Lower-chest slice from an abdominal CT, just above the liver and spleen; axial view; acquired on Brilliance16
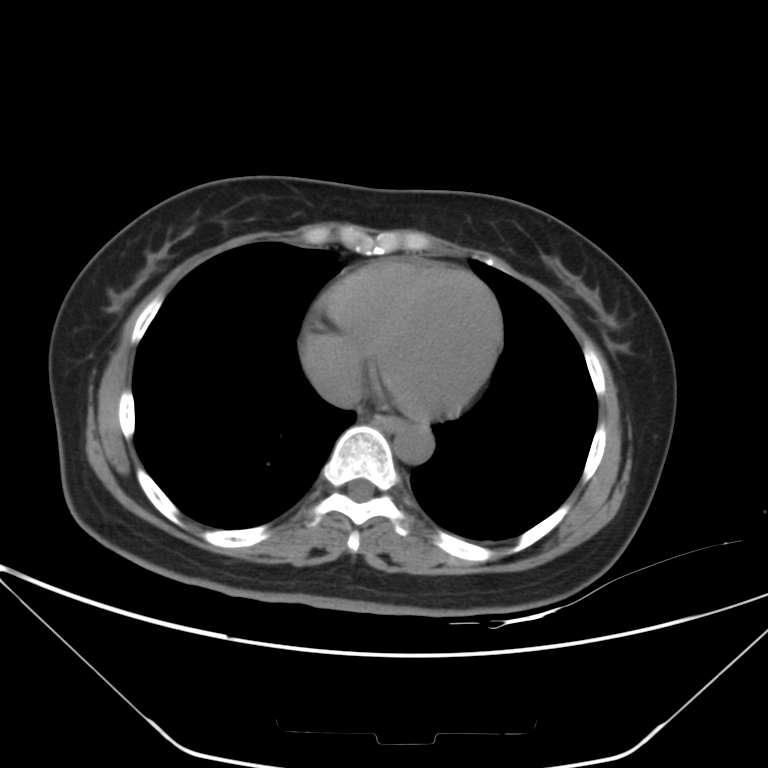
The heart and lungs are never labeled in this dataset, so they have no box on this slice. Each box given as x1,y1,x2,y2. The annotated organs in this slice are: esophagus at x1=376, y1=417, x2=405, y2=430, aorta at x1=393, y1=425, x2=433, y2=463, inferior vena cava at x1=312, y1=359, x2=363, y2=407.